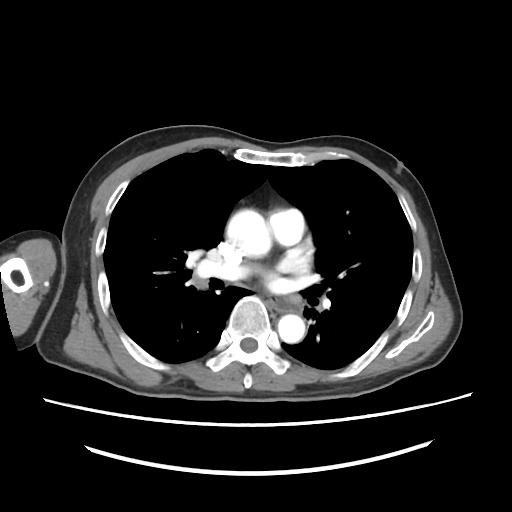 Chest-level slice from an abdominal CT that extends up into the chest — axial view — W/L 400/40 HU — 14 organs annotated in this scan (that count is for the whole scan; organs this slice misses have no box)
At this level of the chest this dataset labels only the esophagus and the aorta, and each is boxed only where it is labeled; the heart and lungs are never labeled.
Organ boxes in pixel coordinates; each row gives the top-left (x1, y1) and bottom-right (x2, y2) corners.
| organ | x1 | y1 | x2 | y2 |
|---|---|---|---|---|
| esophagus | 264 | 296 | 302 | 313 |
| aorta | 227 | 208 | 273 | 259 |
| aorta | 276 | 311 | 306 | 345 |